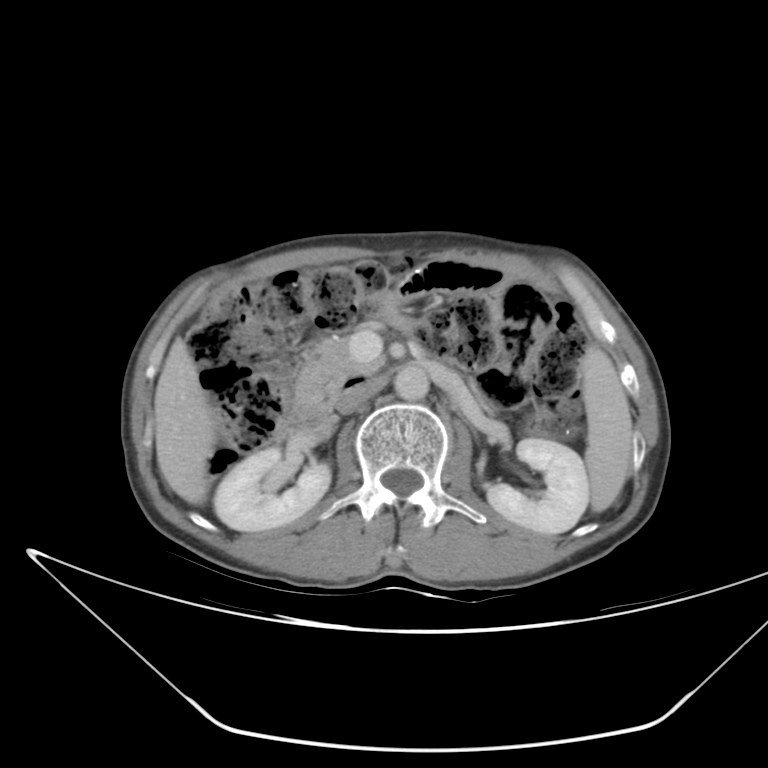
Abdominal CT; axial view
Coordinates as <box>x1,y1,x2,y2</box> in pixels.
Organ bounding boxes:
- pancreas: <box>294,336,388,418</box>
- left kidney: <box>486,438,588,533</box>
- aorta: <box>395,364,429,399</box>
- liver: <box>153,338,217,502</box>
- spleen: <box>581,347,633,511</box>
- inferior vena cava: <box>337,374,388,413</box>
- duodenum: <box>276,409,332,440</box>
- right kidney: <box>215,447,329,532</box>